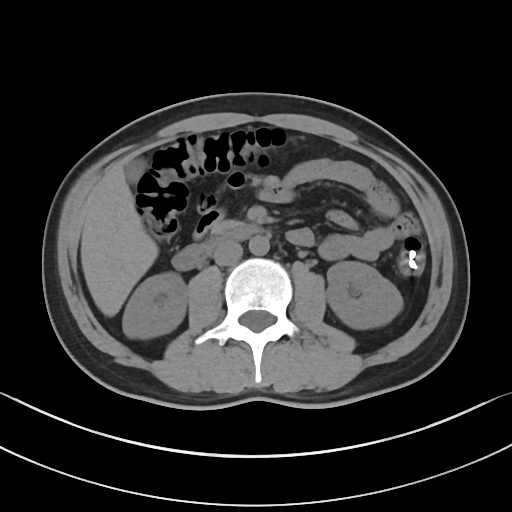
Abdominal CT · axial view · 512x512 px
Coordinates as <box>x1,y1,x2,y2</box> in pixels.
inferior vena cava: <box>213,241,242,265</box>
liver: <box>80,166,158,316</box>
gall bladder: <box>124,158,146,183</box>
pancreas: <box>210,219,242,232</box>
aorta: <box>249,235,269,255</box>
duodenum: <box>172,223,262,270</box>
left kidney: <box>326,261,403,329</box>
right kidney: <box>122,272,187,338</box>